Abdominal CT; Axial slice 185/222; soft-tissue window (W 400 / L 40); SOMATOM Force scanner; scan has 15 labeled organs (that count is for the whole scan; organs this slice misses have no box)
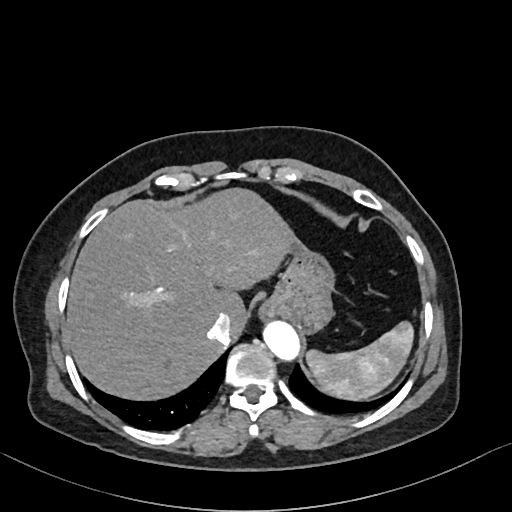
Box edges are left/top/right/bottom in pixels. The annotated organs in this slice are: spleen at left=306, top=321, right=413, bottom=401, liver at left=66, top=186, right=298, bottom=401, stomach at left=263, top=240, right=335, bottom=334, aorta at left=261, top=319, right=299, bottom=361, inferior vena cava at left=208, top=313, right=232, bottom=343.